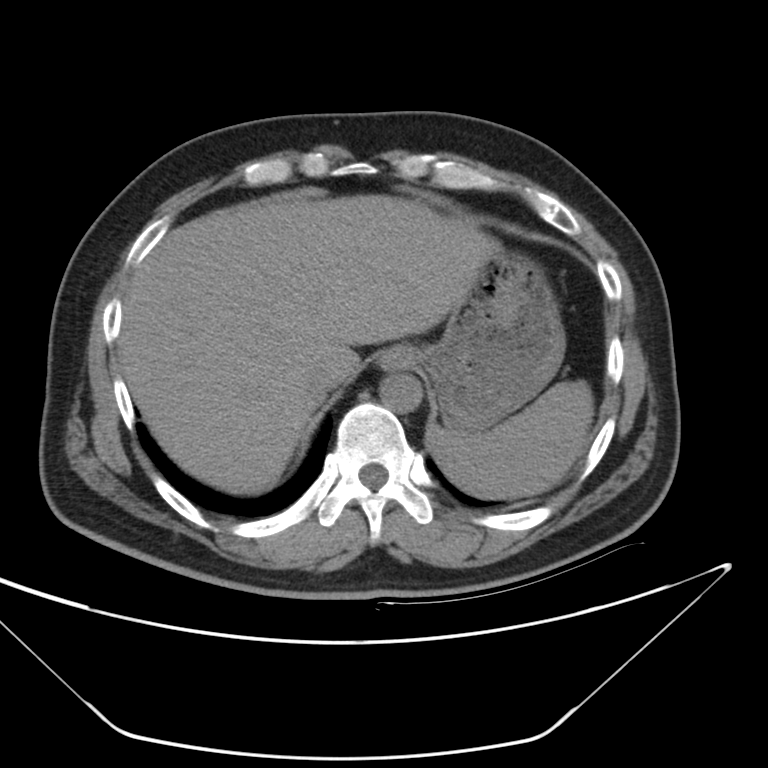
Computed tomography, abdomen; axial view; Brilliance16 scanner
Organ boxes in pixel coordinates; each row gives the top-left (x1, y1) and bottom-right (x2, y2) corners.
| organ | x1 | y1 | x2 | y2 |
|---|---|---|---|---|
| spleen | 430 | 379 | 594 | 496 |
| esophagus | 383 | 347 | 408 | 368 |
| liver | 119 | 196 | 500 | 496 |
| stomach | 403 | 250 | 565 | 433 |
| aorta | 380 | 371 | 422 | 413 |
| inferior vena cava | 298 | 362 | 328 | 396 |